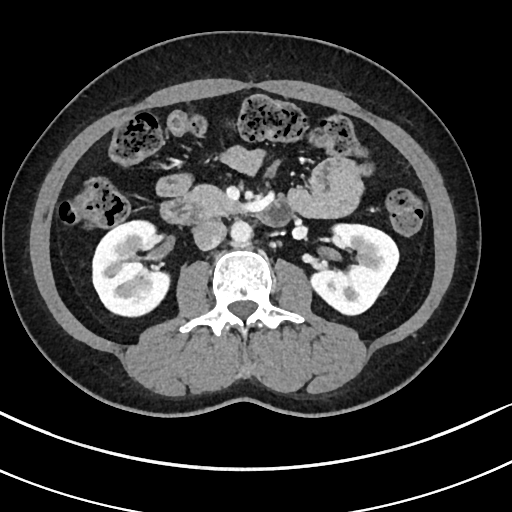 Computed tomography, abdomen · axial view · acquired on SOMATOM Force
<organs><organ name="right kidney" x1="92" y1="220" x2="170" y2="316"/><organ name="left kidney" x1="311" y1="224" x2="398" y2="314"/><organ name="aorta" x1="231" y1="221" x2="252" y2="244"/><organ name="inferior vena cava" x1="192" y1="220" x2="226" y2="250"/><organ name="pancreas" x1="185" y1="185" x2="242" y2="217"/><organ name="duodenum" x1="160" y1="199" x2="292" y2="226"/></organs>